Magnetic resonance imaging, abdomen · axial view · Prisma scanner · scan has 13 labeled organs (counted over the whole 3D scan, not this slice; an organ is boxed only where this slice passes through it)
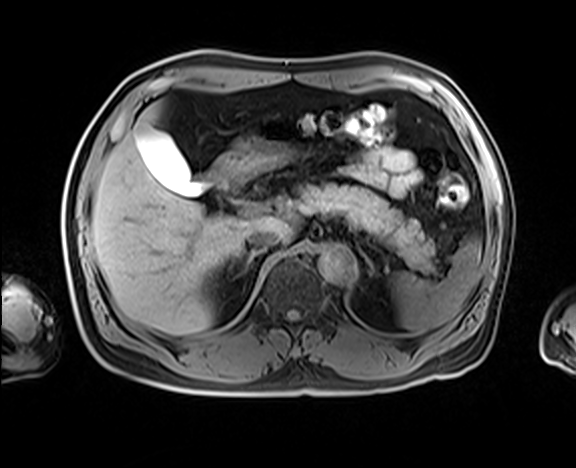

Coordinates as <box>x1,y1,x2,y2</box> in pixels. 9 labeled organs on this slice — spleen at <box>390,238,481,334</box>; gall bladder at <box>133,121,213,195</box>; liver at <box>91,104,293,335</box>; stomach at <box>210,136,298,189</box>; aorta at <box>318,245,356,282</box>; inferior vena cava at <box>246,229,280,250</box>; pancreas at <box>297,185,434,270</box>; right adrenal gland at <box>228,250,260,281</box>; left adrenal gland at <box>357,247,374,270</box>.